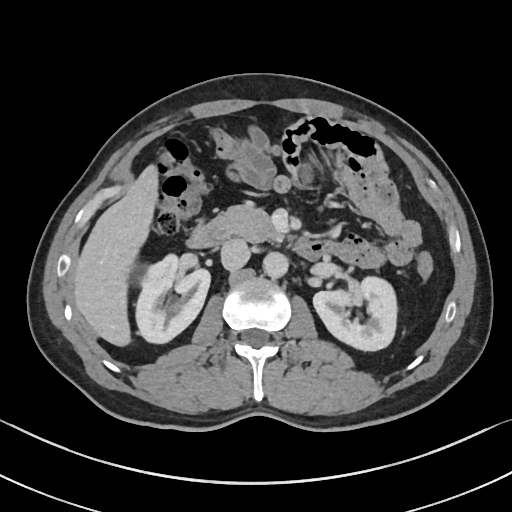
Computed tomography, abdomen. axial view. W/L 400/40 HU. 512x512 px. 15 organs annotated in this scan (that count is for the whole scan; organs this slice misses have no box)
One row per box, in pixels: columns x1 and y1 give the top-left corner, x2 and y2 the bottom-right.
| organ | x1 | y1 | x2 | y2 |
|---|---|---|---|---|
| right kidney | 135 | 254 | 210 | 343 |
| left kidney | 313 | 276 | 397 | 351 |
| liver | 74 | 165 | 158 | 346 |
| aorta | 263 | 252 | 288 | 278 |
| inferior vena cava | 220 | 239 | 250 | 270 |
| pancreas | 211 | 204 | 281 | 242 |
| duodenum | 187 | 222 | 330 | 260 |